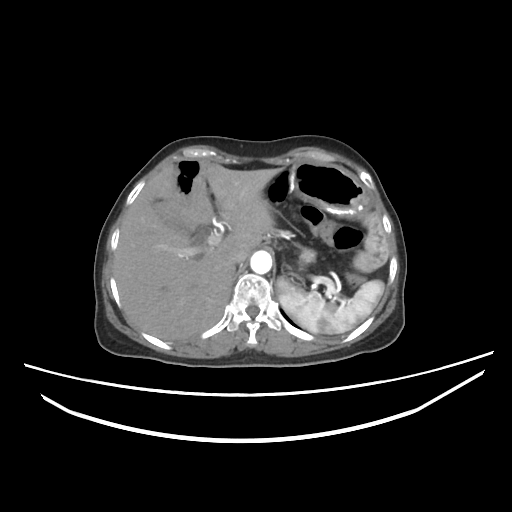 CT, abdomen/pelvis; axial view; soft-tissue window; 512x512 px; 63-year-old female patient; acquired on Aquilion ONE
Coordinates as <box>x1,y1,x2,y2</box> in pixels. The annotated organs in this slice are: spleen at <box>275,275,384,334</box>, liver at <box>114,163,281,341</box>, stomach at <box>287,162,368,217</box>, aorta at <box>251,251,271,274</box>, inferior vena cava at <box>229,242,248,264</box>, pancreas at <box>300,251,315,262</box>.